Abdominal CT. axial plane, index 81. soft-tissue window. acquired on Aquilion ONE. scan has 15 labeled organs (a whole-scan count: organs this slice does not pass through have no box)
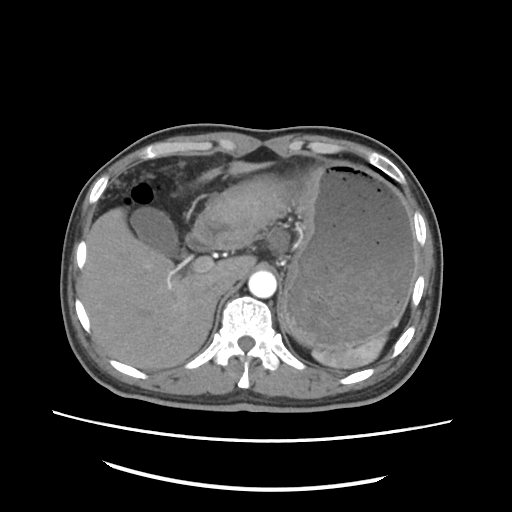 Bounding boxes in pixels, one row per box: x1, y1 is the top-left corner and x2, y2 the bottom-right.
| organ | x1 | y1 | x2 | y2 |
|---|---|---|---|---|
| spleen | 312 | 333 | 386 | 367 |
| gall bladder | 131 | 207 | 180 | 257 |
| liver | 81 | 160 | 270 | 369 |
| stomach | 191 | 162 | 417 | 347 |
| aorta | 249 | 271 | 276 | 298 |
| inferior vena cava | 209 | 276 | 235 | 294 |
| right adrenal gland | 211 | 295 | 218 | 311 |
| duodenum | 184 | 230 | 212 | 252 |